Abdominal CT. axial view. abdomen soft-tissue window. 512x512 px
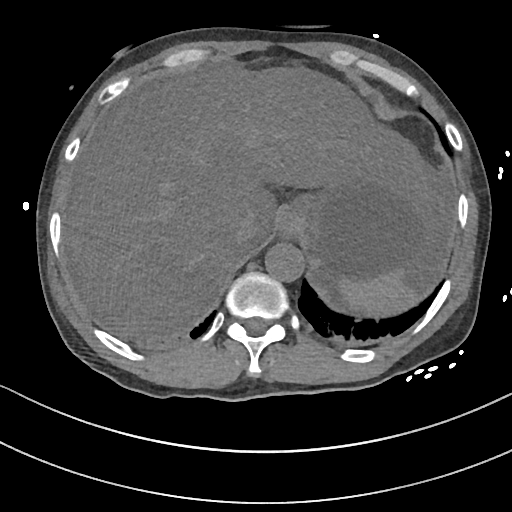 Box edges are left/top/right/bottom in pixels.
Organ bounding boxes:
- spleen: left=336, top=272, right=418, bottom=318
- liver: left=69, top=64, right=433, bottom=335
- stomach: left=279, top=163, right=445, bottom=287
- aorta: left=264, top=242, right=302, bottom=280
- inferior vena cava: left=231, top=220, right=252, bottom=252